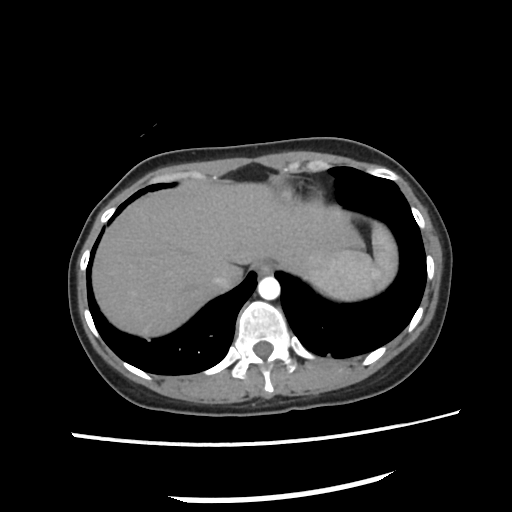 Computed tomography, abdomen. axial view. soft-tissue window. 512x512 px
{"organs":{"aorta":[258,278,278,300],"liver":[91,184,366,337],"esophagus":[258,260,278,274],"inferior vena cava":[209,277,236,287],"spleen":[311,221,397,301]}}